Computed tomography, abdomen. axial view. 512x512 px
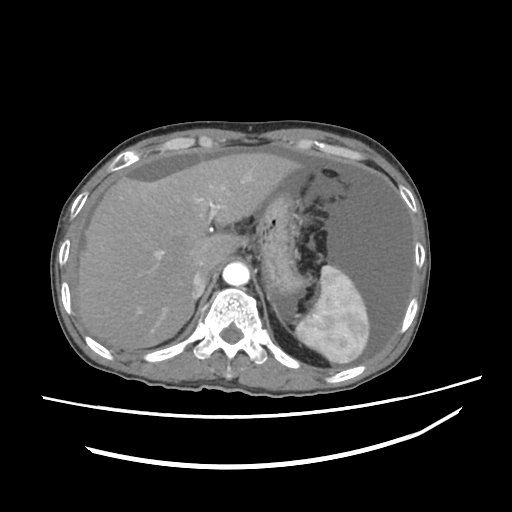

<organs><organ name="stomach" x1="256" y1="194" x2="305" y2="293"/><organ name="liver" x1="78" y1="152" x2="298" y2="348"/><organ name="aorta" x1="222" y1="261" x2="250" y2="285"/><organ name="inferior vena cava" x1="189" y1="269" x2="206" y2="300"/><organ name="spleen" x1="295" y1="263" x2="369" y2="364"/></organs>